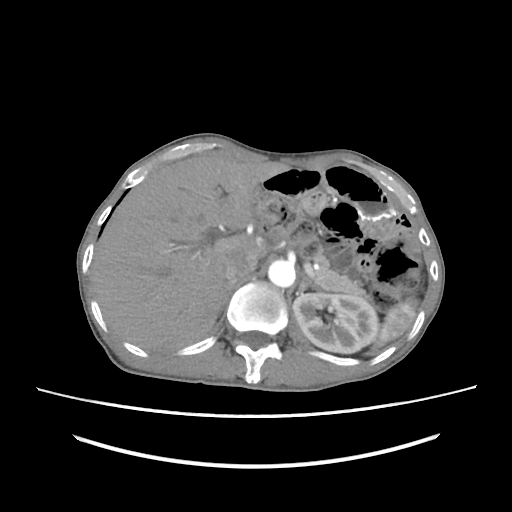
CT abdomen — axial plane, index 67 — W/L 400/40 HU — 62-year-old male patient
Box edges are left/top/right/bottom in pixels.
Organ bounding boxes:
- spleen: left=372, top=300, right=416, bottom=350
- left kidney: left=292, top=293, right=379, bottom=353
- liver: left=90, top=152, right=288, bottom=351
- aorta: left=268, top=260, right=295, bottom=287
- inferior vena cava: left=224, top=250, right=258, bottom=281
- pancreas: left=312, top=249, right=370, bottom=300
- right adrenal gland: left=220, top=281, right=234, bottom=312
- left adrenal gland: left=296, top=274, right=317, bottom=295